Computed tomography, abdomen — axial view — 512x512 px
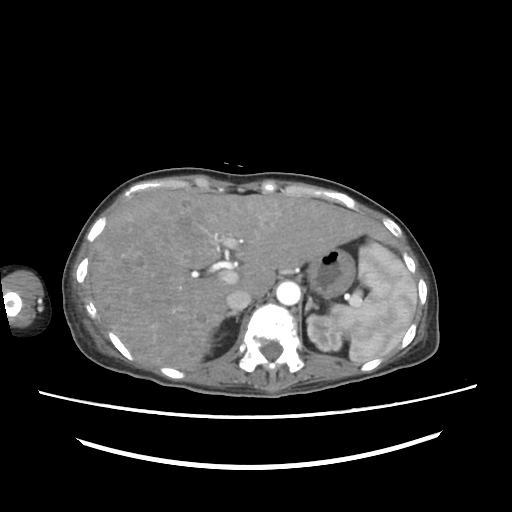 Bounding boxes as [x1, y1, x2, y2] in pixel coordinates.
Organ bounding boxes:
- spleen: [330, 242, 416, 362]
- left kidney: [307, 314, 342, 351]
- liver: [89, 189, 398, 369]
- stomach: [307, 248, 355, 297]
- aorta: [276, 281, 300, 305]
- inferior vena cava: [226, 288, 251, 310]
- right adrenal gland: [225, 311, 239, 321]
- left adrenal gland: [305, 296, 317, 313]